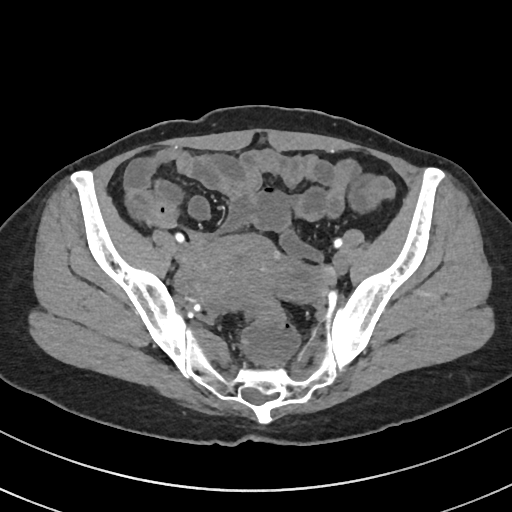
CT, abdomen/pelvis. Axial slice 82/242. W/L 400/40 HU. 512x512 px. acquired on SOMATOM Force
{"organs":{"prostate/uterus":[195,234,283,305]}}